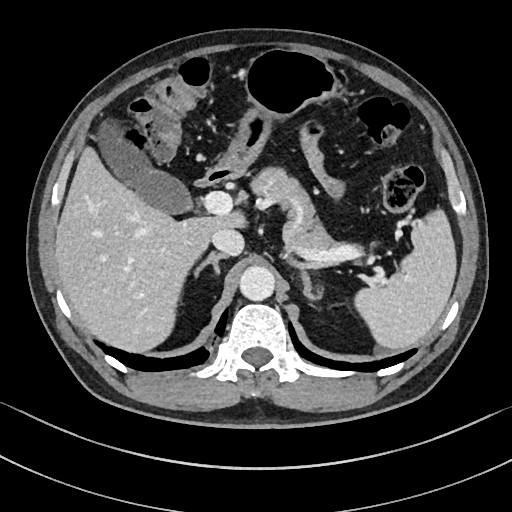
CT, abdomen/pelvis. axial plane, index 169. soft-tissue window. 512x512 px. scan has 15 labeled organs (counted over the whole 3D scan, not this slice; an organ is boxed only where this slice passes through it)
<organs><organ name="spleen" x1="355" y1="209" x2="457" y2="349"/><organ name="gall bladder" x1="110" y1="152" x2="192" y2="213"/><organ name="liver" x1="55" y1="149" x2="244" y2="353"/><organ name="stomach" x1="227" y1="49" x2="335" y2="167"/><organ name="aorta" x1="240" y1="264" x2="274" y2="299"/><organ name="inferior vena cava" x1="211" y1="228" x2="244" y2="255"/><organ name="pancreas" x1="250" y1="167" x2="364" y2="263"/><organ name="right adrenal gland" x1="194" y1="251" x2="227" y2="273"/><organ name="left adrenal gland" x1="297" y1="269" x2="322" y2="298"/><organ name="duodenum" x1="194" y1="157" x2="244" y2="188"/></organs>